CT, abdomen/pelvis · axial view · 50-year-old male patient · 15 organs annotated in this scan (counted over the whole 3D scan, not this slice; an organ is boxed only where this slice passes through it)
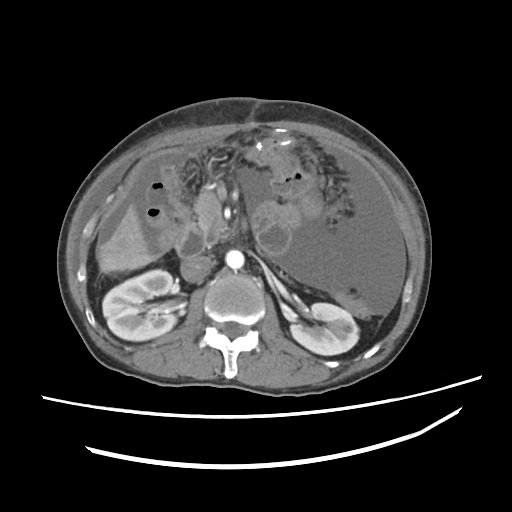 Each box given as x1,y1,x2,y2.
right kidney: x1=101, y1=269, x2=175, y2=341
left kidney: x1=291, y1=303, x2=359, y2=354
liver: x1=99, y1=204, x2=153, y2=270
aorta: x1=226, y1=250, x2=244, y2=270
inferior vena cava: x1=180, y1=255, x2=213, y2=281
pancreas: x1=195, y1=189, x2=222, y2=228
duodenum: x1=175, y1=215, x2=226, y2=257